CT, abdomen/pelvis — axial view — 512x512 px — 40-year-old male patient
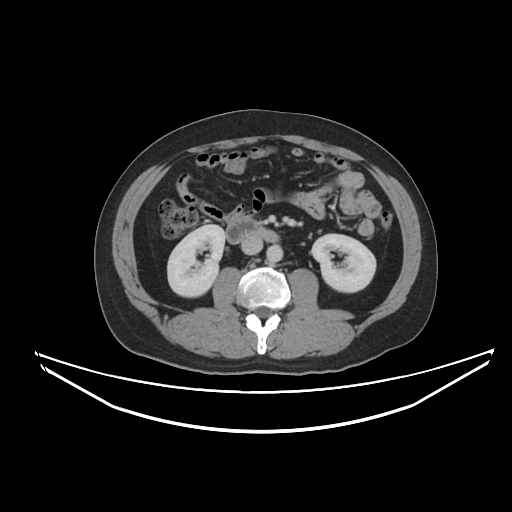
Boxes are (x1, y1, x2, y2) in pixels.
duodenum: (226, 219, 279, 243)
inferior vena cava: (241, 235, 262, 254)
left kidney: (311, 234, 376, 292)
right kidney: (167, 224, 225, 297)
aorta: (266, 245, 282, 262)